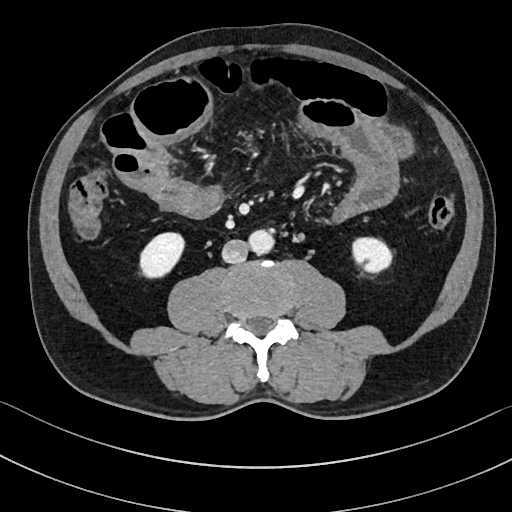 Abdominal CT; Axial slice 114/232; 512x512 px; 15 organs annotated in this scan (counted over the whole 3D scan, not this slice; an organ is boxed only where this slice passes through it)
<organs><organ name="right kidney" x1="140" y1="232" x2="184" y2="278"/><organ name="left kidney" x1="352" y1="237" x2="392" y2="273"/><organ name="aorta" x1="248" y1="230" x2="274" y2="254"/><organ name="inferior vena cava" x1="221" y1="239" x2="248" y2="263"/></organs>